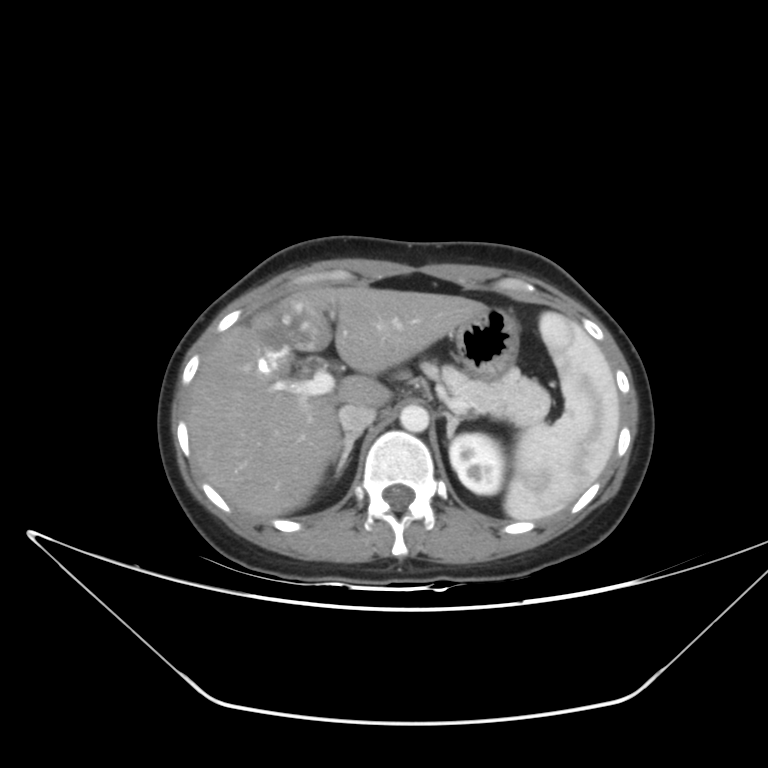

CT abdomen — axial view — 768x768 px — 34-year-old female patient
<organs><organ name="spleen" x1="504" y1="311" x2="620" y2="520"/><organ name="left kidney" x1="449" y1="433" x2="504" y2="495"/><organ name="liver" x1="187" y1="286" x2="484" y2="518"/><organ name="stomach" x1="454" y1="307" x2="518" y2="377"/><organ name="aorta" x1="399" y1="403" x2="429" y2="432"/><organ name="inferior vena cava" x1="337" y1="404" x2="376" y2="432"/><organ name="pancreas" x1="439" y1="365" x2="549" y2="426"/><organ name="right adrenal gland" x1="330" y1="431" x2="362" y2="477"/><organ name="left adrenal gland" x1="442" y1="411" x2="477" y2="439"/></organs>